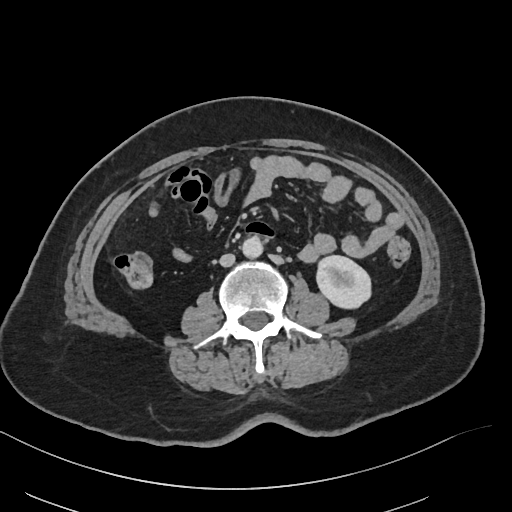

CT, abdomen/pelvis. axial view. 512x512 px. SOMATOM Force scanner
Box edges are left/top/right/bottom in pixels. The annotated organs in this slice are: left kidney at left=315, top=255, right=372, bottom=310, aorta at left=241, top=237, right=262, bottom=258, inferior vena cava at left=220, top=254, right=234, bottom=267.